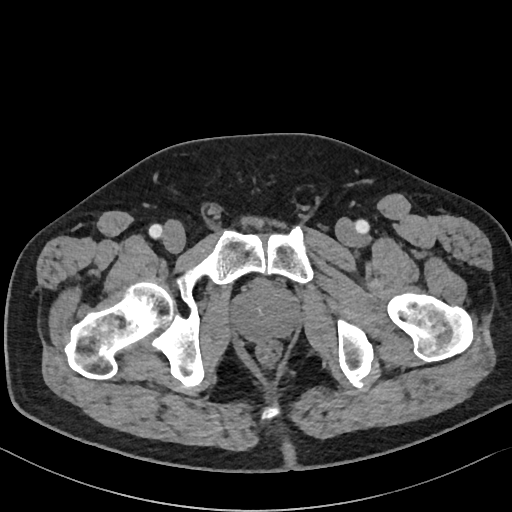 CT abdomen. axial plane, index 15. soft-tissue window
Each box given as x1,y1,x2,y2. Labeled organs on this slice: prostate/uterus at x1=231, y1=281, x2=300, y2=341.